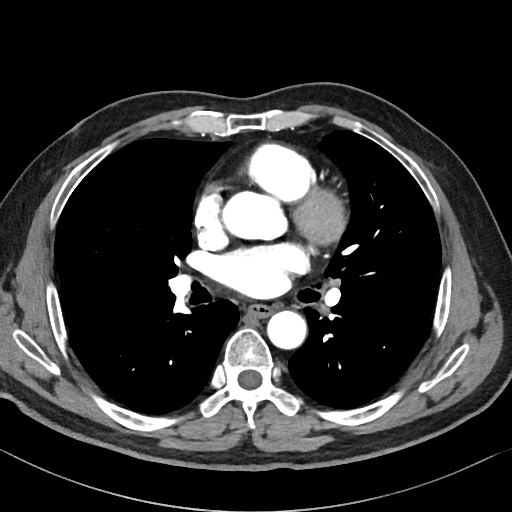

CT of the abdomen reaching into the lower chest, slice just above the liver and spleen; axial view; 15 organs annotated in this scan (that count is for the whole scan; organs this slice misses have no box)
The heart and lungs are never labeled in this dataset, so they have no box on this slice.
Bounding boxes as [x1, y1, x2, y2] in pixel coordinates.
esophagus: [248, 304, 272, 317]
aorta: [221, 190, 283, 239]
aorta: [267, 311, 306, 349]